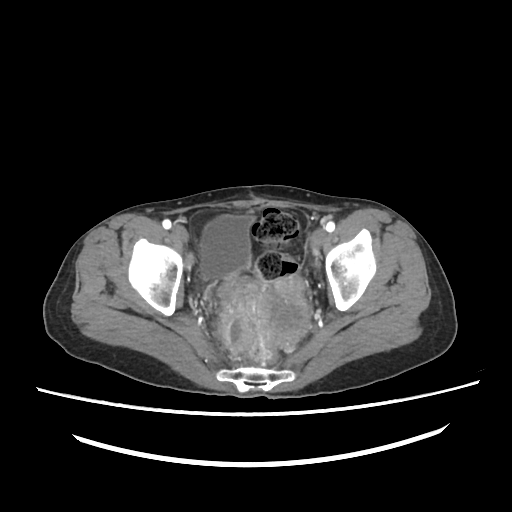
Computed tomography, abdomen; axial view; 58-year-old female patient; acquired on Aquilion ONE
{"organs":{"bladder":[200,215,253,278],"prostate/uterus":[254,274,310,349]}}